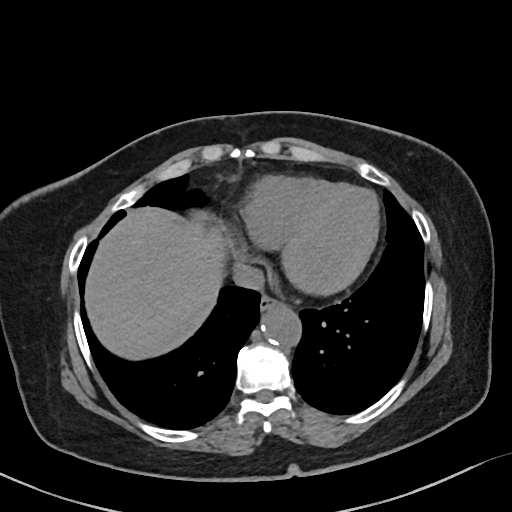

CT abdomen; axial plane, index 182; W/L 400/40 HU; 512x512 px; scan has 15 labeled organs (that count is for the whole scan; organs this slice misses have no box)
Organ boxes in pixel coordinates; each row gives the top-left (x1, y1) and bottom-right (x2, y2) corners.
| organ | x1 | y1 | x2 | y2 |
|---|---|---|---|---|
| esophagus | 259 | 298 | 280 | 314 |
| liver | 87 | 208 | 224 | 362 |
| aorta | 262 | 305 | 302 | 348 |
| inferior vena cava | 231 | 263 | 262 | 290 |